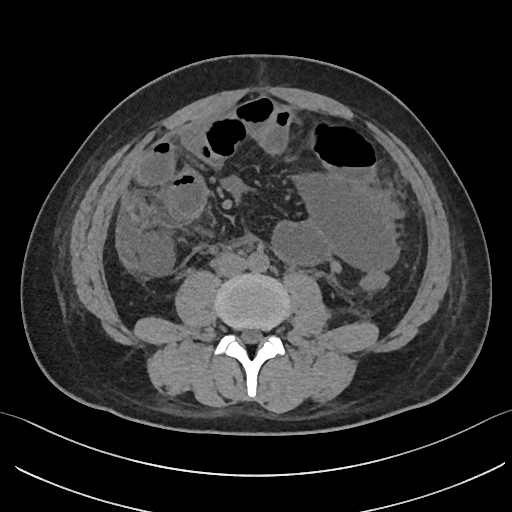 Abdominal CT. axial plane, index 112. 512x512 px. SOMATOM Force scanner
{"organs":{"aorta":[248,251,268,272],"inferior vena cava":[214,251,247,276]}}